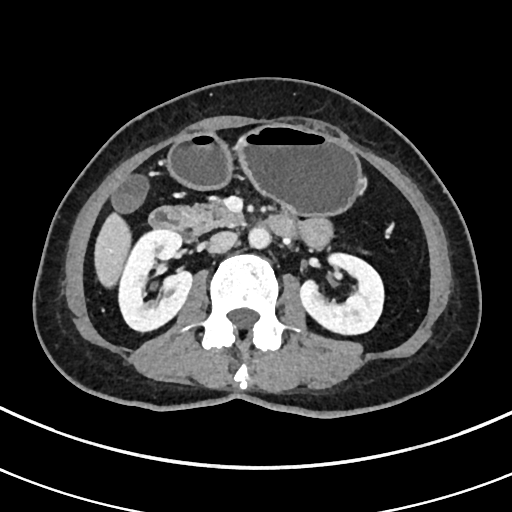 Computed tomography, abdomen; axial view; soft-tissue window; 15 organs annotated in this scan (that count is for the whole scan; organs this slice misses have no box)
Organ boxes in pixel coordinates; each row gives the top-left (x1, y1) and bottom-right (x2, y2) corners.
| organ | x1 | y1 | x2 | y2 |
|---|---|---|---|---|
| liver | 94 | 212 | 131 | 287 |
| left kidney | 300 | 253 | 383 | 334 |
| inferior vena cava | 208 | 231 | 237 | 253 |
| pancreas | 191 | 202 | 242 | 229 |
| right kidney | 118 | 229 | 192 | 331 |
| duodenum | 149 | 206 | 296 | 239 |
| stomach | 167 | 124 | 361 | 215 |
| aorta | 248 | 226 | 270 | 249 |
| gall bladder | 112 | 174 | 148 | 211 |